Computed tomography, abdomen; axial view; scan has 15 labeled organs (that count is for the whole scan; organs this slice misses have no box)
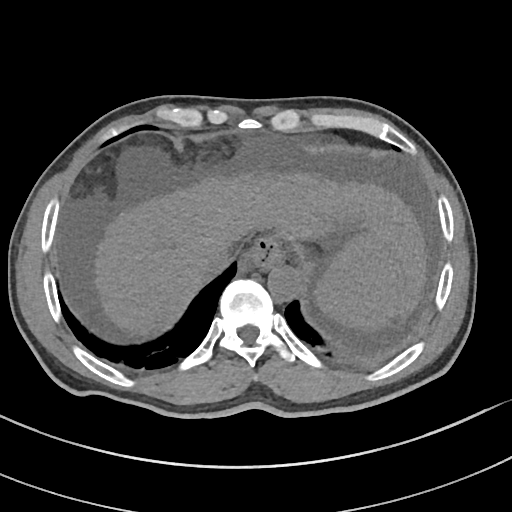

Bounding boxes in pixels, one row per box: x1, y1 is the top-left corner and x2, y2 the bottom-right.
| organ | x1 | y1 | x2 | y2 |
|---|---|---|---|---|
| aorta | 267 | 265 | 301 | 300 |
| liver | 94 | 171 | 425 | 338 |
| esophagus | 244 | 239 | 280 | 266 |
| inferior vena cava | 207 | 246 | 234 | 273 |
| spleen | 315 | 231 | 411 | 332 |